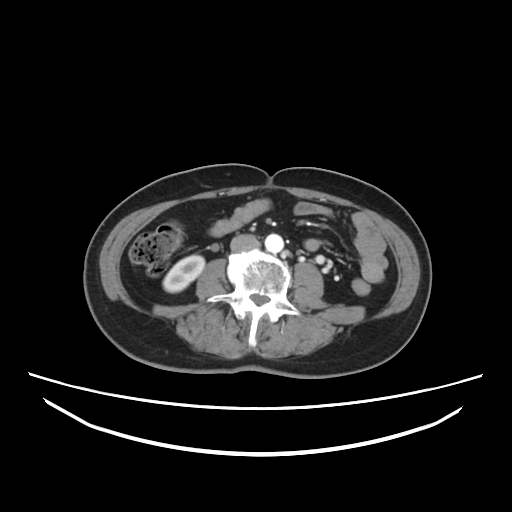
CT abdomen. axial plane, index 38. 512x512 px. 62-year-old female patient. Aquilion ONE scanner
Box edges are left/top/right/bottom in pixels. 3 labeled organs on this slice — right kidney at left=164, top=255, right=203, bottom=291; aorta at left=265, top=234, right=284, bottom=253; inferior vena cava at left=230, top=234, right=259, bottom=253.